Abdominal MR — coronal view
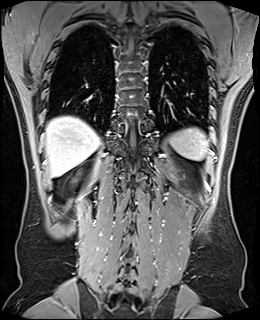

One row per box, in pixels: columns x1 and y1 give the top-left corner, x2 and y2 the bottom-right.
| organ | x1 | y1 | x2 | y2 |
|---|---|---|---|---|
| spleen | 169 | 127 | 209 | 160 |
| liver | 45 | 116 | 100 | 176 |